Computed tomography, abdomen — axial view — abdomen soft-tissue window — Aquilion ONE scanner
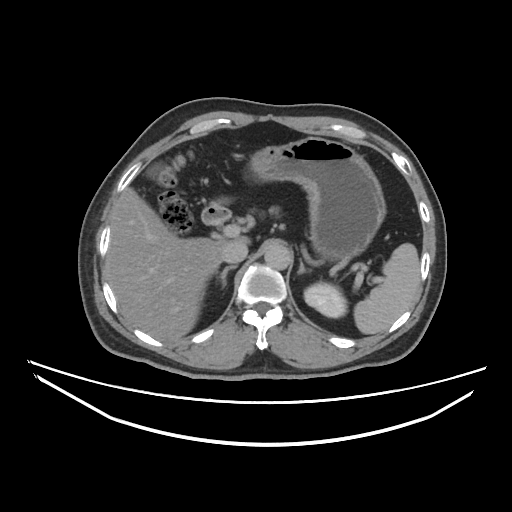 Bounding boxes in pixels, one row per box: x1, y1 is the top-left corner and x2, y2 the bottom-right.
| organ | x1 | y1 | x2 | y2 |
|---|---|---|---|---|
| gall bladder | 147 | 163 | 162 | 178 |
| stomach | 217 | 137 | 387 | 260 |
| left adrenal gland | 297 | 258 | 309 | 273 |
| aorta | 263 | 244 | 290 | 269 |
| duodenum | 200 | 203 | 230 | 224 |
| inferior vena cava | 221 | 242 | 248 | 264 |
| left kidney | 304 | 283 | 347 | 317 |
| pancreas | 268 | 206 | 279 | 215 |
| right adrenal gland | 220 | 265 | 237 | 286 |
| liver | 109 | 189 | 250 | 339 |
| spleen | 354 | 244 | 419 | 333 |